CT abdomen — axial view
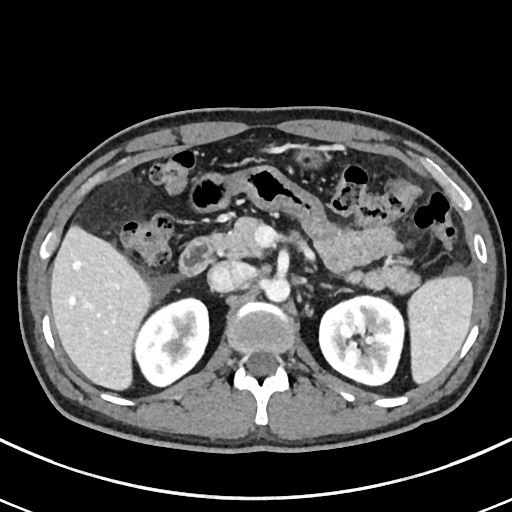 {"organs":{"spleen":[407,273,473,384],"right kidney":[136,299,208,387],"left kidney":[319,295,404,385],"liver":[50,225,151,391],"stomach":[298,147,319,165],"aorta":[263,277,290,302],"inferior vena cava":[208,261,251,293],"pancreas":[218,217,420,295],"left adrenal gland":[320,284,333,289],"duodenum":[179,231,222,274]}}